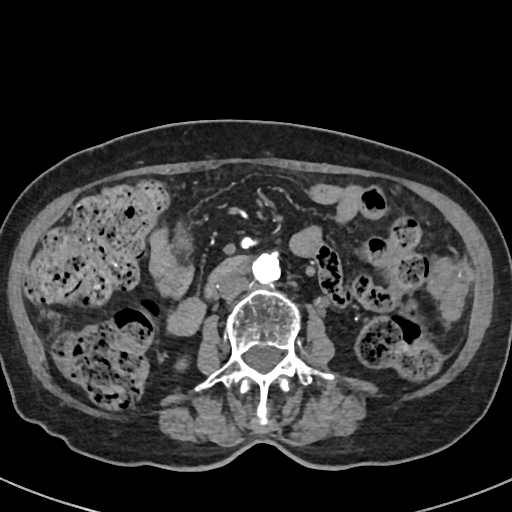

Computed tomography, abdomen — axial view — 512x512 px
Coordinates as <box>x1,y1,x2,y2</box> in pixels.
Organ bounding boxes:
- aorta: <box>252,252,280,282</box>
- inferior vena cava: <box>217,271,248,298</box>
- duodenum: <box>205,257,246,299</box>
- right kidney: <box>176,360,188,369</box>